Abdominal CT; this slice is in the lower chest, just above the liver. Axial slice 91/123. scan has 15 labeled organs (a whole-scan count: organs this slice does not pass through have no box)
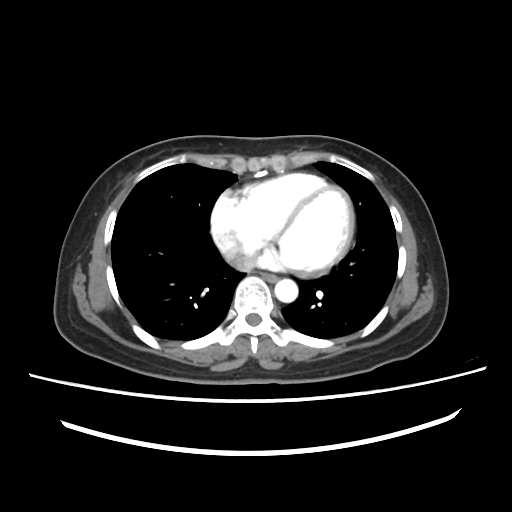
No part of the heart or lungs is labeled in this dataset, so neither has a box here.
Boxes: x1 y1 x2 y2 (pixel coords, space-separated).
esophagus: 262 273 277 282
aorta: 274 279 298 302
inferior vena cava: 224 250 255 271